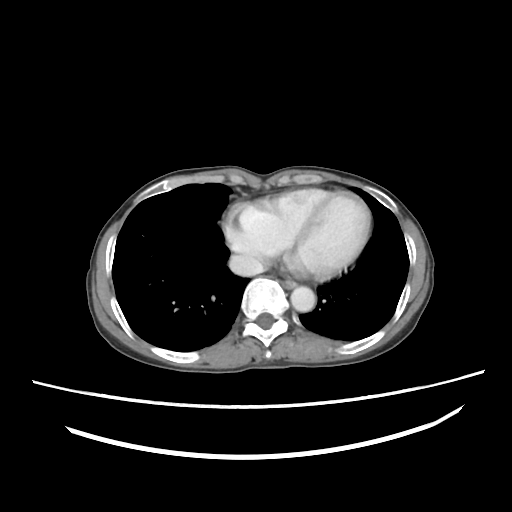

Lower-chest slice from an abdominal CT, just above the liver and spleen · axial view · soft-tissue window (W 400 / L 40) · 68-year-old female patient · 15 organs annotated in this scan (counted over the whole 3D scan, not this slice; an organ is boxed only where this slice passes through it)
The heart and lungs are never labeled in this dataset, so they have no box on this slice.
Box edges are left/top/right/bottom in pixels.
Organ bounding boxes:
- aorta: left=291, top=288, right=317, bottom=310
- inferior vena cava: left=228, top=255, right=263, bottom=276